Abdominal CT; Axial slice 175/234; 512x512 px; scan has 15 labeled organs (that count is for the whole scan; organs this slice misses have no box)
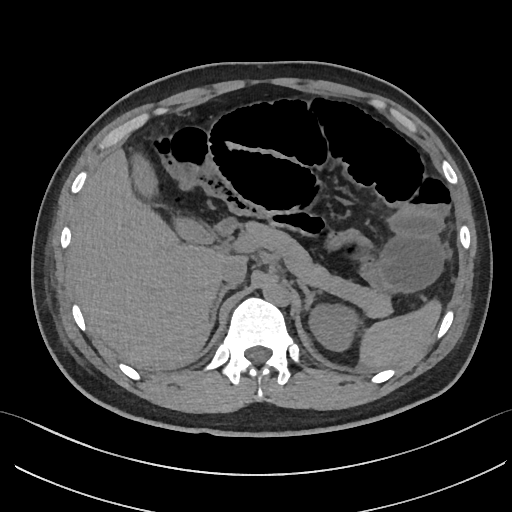 <organs><organ name="spleen" x1="358" y1="301" x2="443" y2="367"/><organ name="left kidney" x1="311" y1="307" x2="354" y2="349"/><organ name="gall bladder" x1="133" y1="153" x2="211" y2="242"/><organ name="liver" x1="67" y1="148" x2="248" y2="366"/><organ name="aorta" x1="263" y1="282" x2="291" y2="306"/><organ name="inferior vena cava" x1="220" y1="257" x2="247" y2="287"/><organ name="pancreas" x1="246" y1="222" x2="391" y2="316"/><organ name="right adrenal gland" x1="212" y1="286" x2="234" y2="322"/><organ name="left adrenal gland" x1="301" y1="286" x2="319" y2="313"/><organ name="duodenum" x1="215" y1="215" x2="238" y2="234"/></organs>